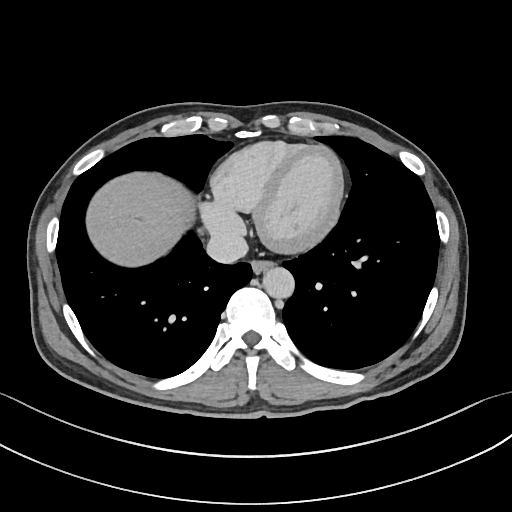
CT abdomen. axial view. scan has 14 labeled organs (that count is for the whole scan; organs this slice misses have no box)
Box edges are left/top/right/bottom in pixels.
Organ bounding boxes:
- esophagus: left=251, top=260, right=273, bottom=273
- liver: left=86, top=172, right=193, bottom=266
- aorta: left=262, top=267, right=294, bottom=298
- inferior vena cava: left=206, top=231, right=248, bottom=263